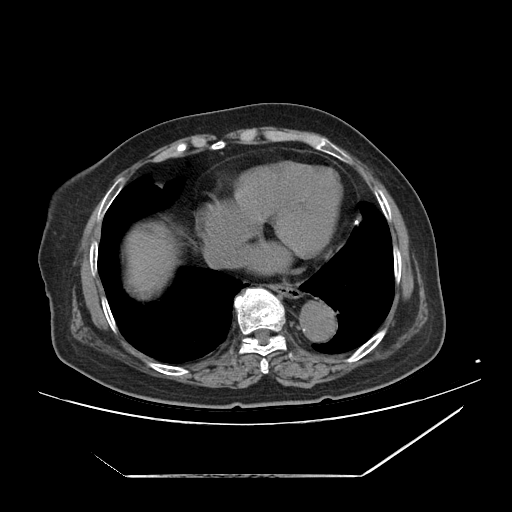 CT abdomen · axial view · abdomen soft-tissue window · 512x512 px
Bounding boxes in pixels, one row per box: x1, y1 is the top-left corner and x2, y2 the bottom-right.
| organ | x1 | y1 | x2 | y2 |
|---|---|---|---|---|
| esophagus | 273 | 283 | 301 | 298 |
| liver | 128 | 226 | 173 | 289 |
| aorta | 298 | 300 | 336 | 340 |
| inferior vena cava | 202 | 239 | 232 | 267 |